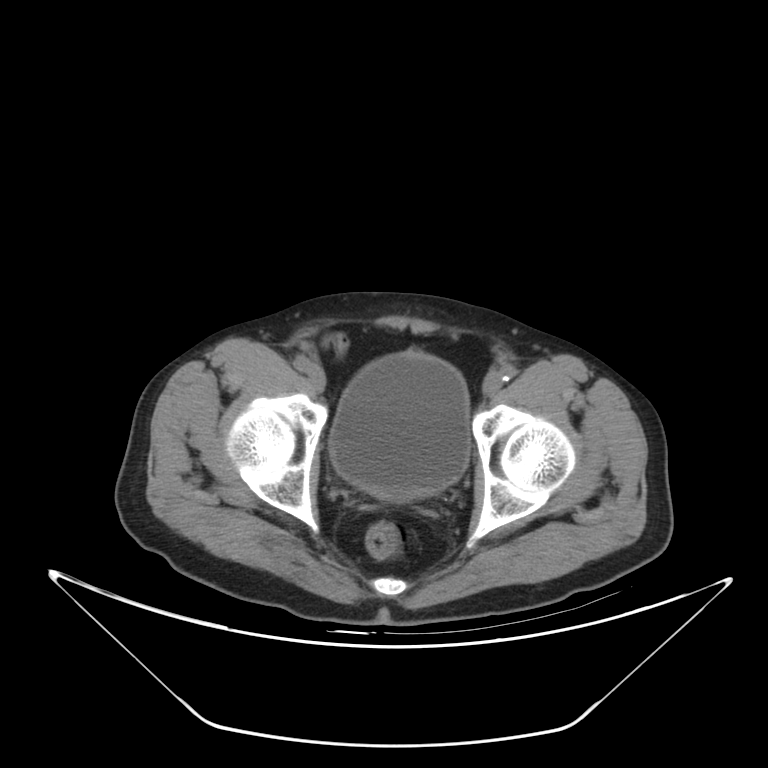 Abdominal CT. axial view. soft-tissue window. 59-year-old male patient
<organs><organ name="bladder" x1="329" y1="352" x2="469" y2="499"/></organs>